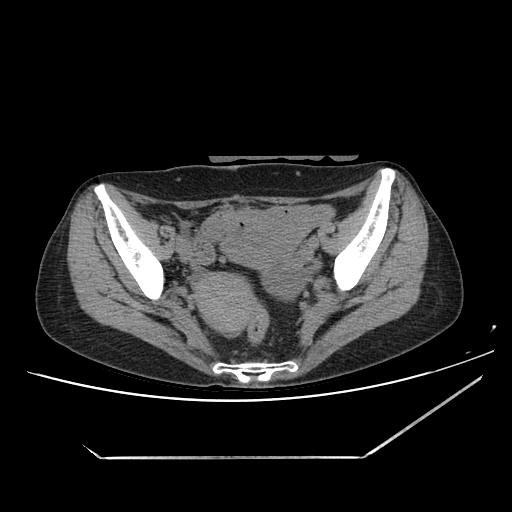

CT, abdomen/pelvis. axial view. 512x512 px
Bounding boxes in pixels, one row per box: x1, y1 is the top-left corner and x2, y2 the bottom-right.
| organ | x1 | y1 | x2 | y2 |
|---|---|---|---|---|
| prostate/uterus | 194 | 273 | 252 | 333 |